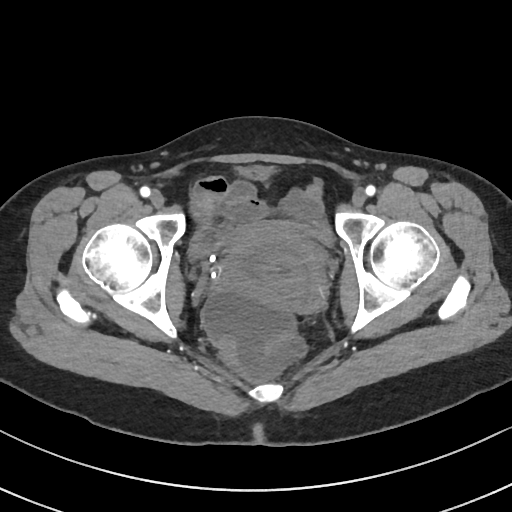 CT abdomen · axial view · soft-tissue window (W 400 / L 40) · scan has 15 labeled organs (that count is for the whole scan; organs this slice misses have no box)
Coordinates as <box>x1,y1,x2,y2</box> in pixels.
bladder: <box>189,222,334,254</box>
prostate/uterus: <box>217,223,328,310</box>